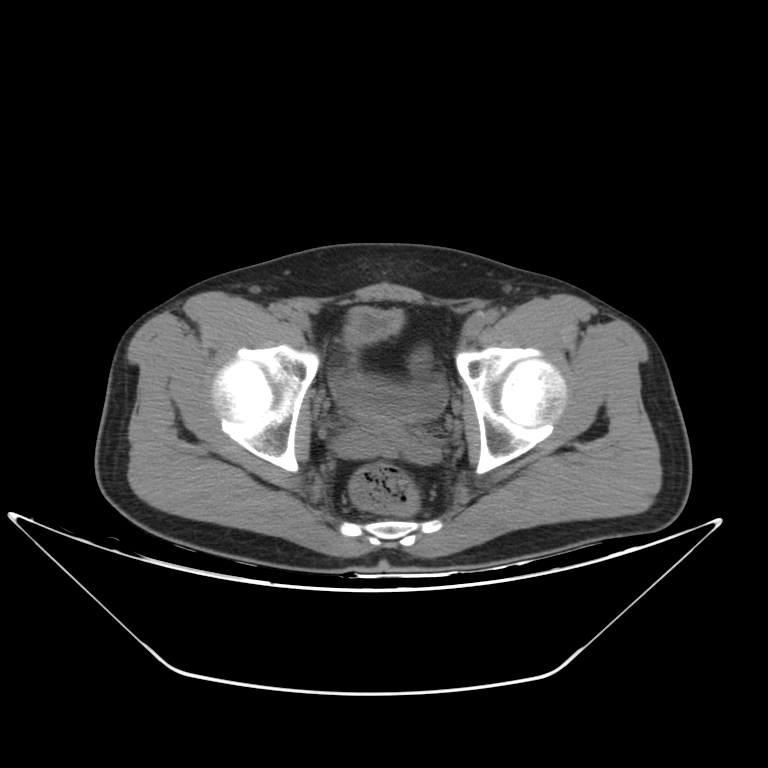 Abdominal CT. axial view. W/L 400/40 HU. 768x768 px
<organs><organ name="bladder" x1="330" y1="308" x2="448" y2="421"/></organs>